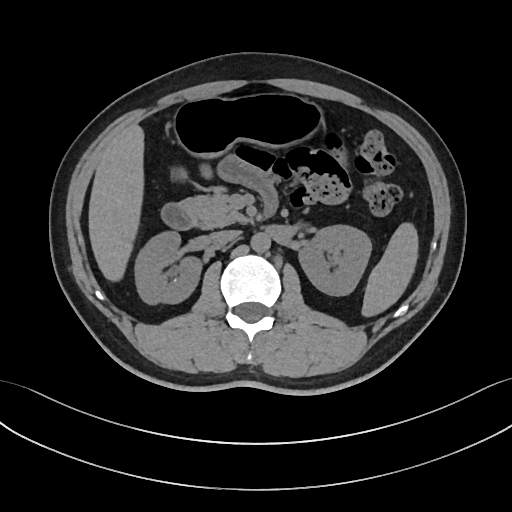

CT abdomen. Axial slice 152/225
Boxes: x1:y1:x2:y2 in pixels. Labeled organs on this slice: spleen at 362:222:417:316, right kidney at 134:231:201:304, left kidney at 299:225:371:295, liver at 88:125:143:281, stomach at 173:94:322:156, aorta at 250:232:270:252, inferior vena cava at 211:230:239:243, pancreas at 179:188:248:228, duodenum at 161:196:277:229.